Computed tomography, abdomen · axial plane, index 110 · W/L 400/40 HU · 512x512 px
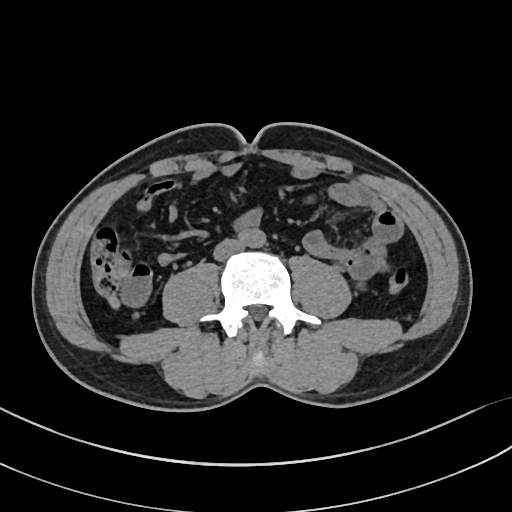

{"organs":{"aorta":[240,228,265,247],"inferior vena cava":[213,239,242,260]}}